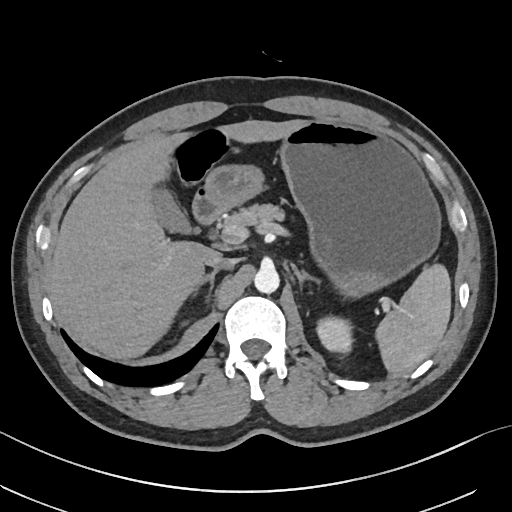

CT, abdomen/pelvis. axial plane, index 166. abdomen soft-tissue window
Organ boxes in pixel coordinates; each row gives the top-left (x1, y1) and bottom-right (x2, y2) corners.
| organ | x1 | y1 | x2 | y2 |
|---|---|---|---|---|
| gall bladder | 151 | 189 | 194 | 234 |
| inferior vena cava | 205 | 256 | 236 | 269 |
| left kidney | 316 | 317 | 351 | 353 |
| spleen | 378 | 263 | 451 | 376 |
| aorta | 254 | 267 | 278 | 293 |
| pancreas | 216 | 202 | 285 | 228 |
| liver | 50 | 120 | 301 | 359 |
| right adrenal gland | 192 | 270 | 217 | 291 |
| stomach | 203 | 119 | 439 | 295 |
| left adrenal gland | 294 | 267 | 319 | 280 |
| duodenum | 192 | 191 | 223 | 226 |